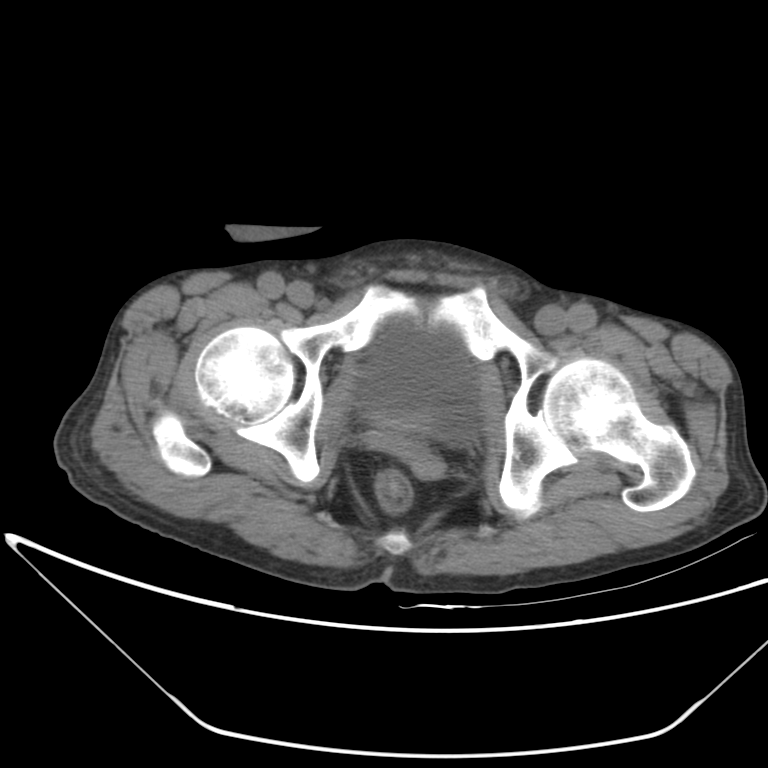
Computed tomography, abdomen; Axial slice 13/82; abdomen soft-tissue window; 66-year-old male patient
{"organs":{"bladder":[352,319,478,442],"prostate/uterus":[374,416,427,436]}}